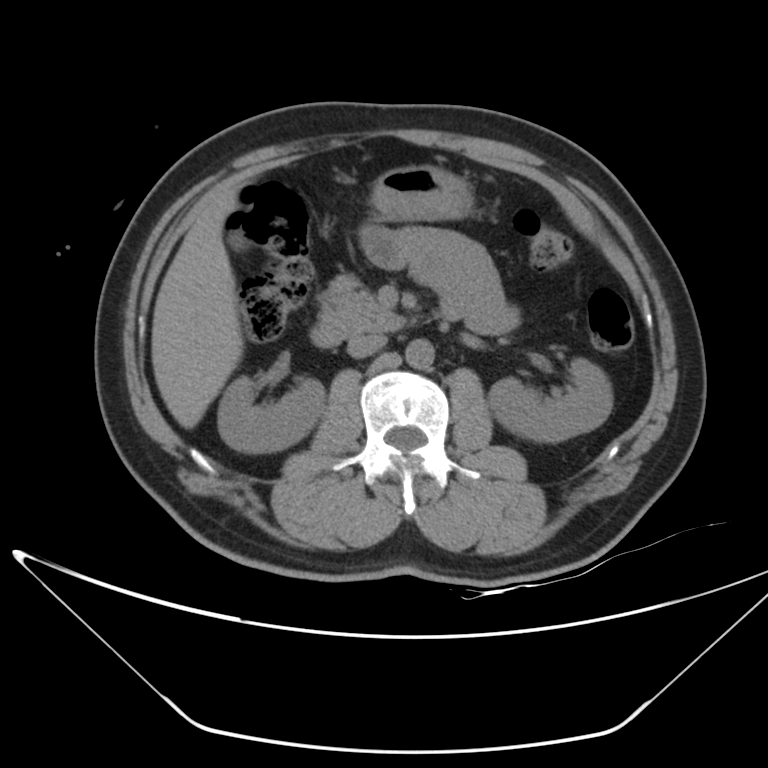

CT, abdomen/pelvis · axial plane, index 55 · 15 organs annotated in this scan (counted over the whole 3D scan, not this slice; an organ is boxed only where this slice passes through it)
Coordinates as <box>x1,y1,x2,y2</box> in pixels.
Organ bounding boxes:
- gall bladder: <box>231,237,242,247</box>
- stomach: <box>371,165,473,220</box>
- right kidney: <box>218,375,325,453</box>
- duodenum: <box>310,322,347,346</box>
- left kidney: <box>488,357,613,442</box>
- aorta: <box>405,338,433,368</box>
- liver: <box>151,184,242,427</box>
- pancreas: <box>320,274,404,334</box>
- inferior vena cava: <box>347,335,386,358</box>